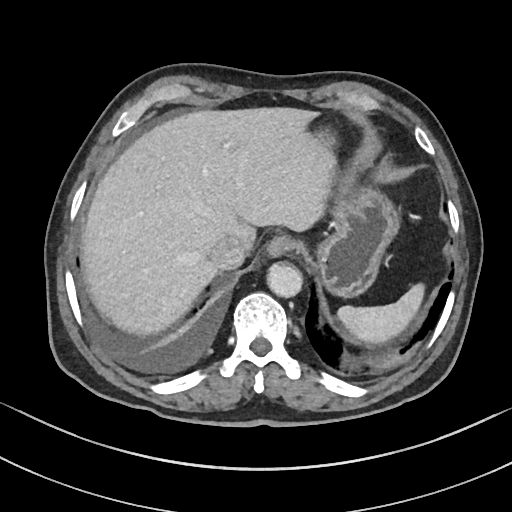 CT, abdomen/pelvis; axial view
One row per box, in pixels: columns x1 and y1 give the top-left corner, x2 and y2 the bottom-right.
| organ | x1 | y1 | x2 | y2 |
|---|---|---|---|---|
| inferior vena cava | 208 | 236 | 245 | 269 |
| esophagus | 265 | 236 | 298 | 258 |
| aorta | 267 | 262 | 302 | 297 |
| stomach | 308 | 122 | 400 | 297 |
| spleen | 337 | 283 | 424 | 344 |
| liver | 81 | 107 | 334 | 336 |